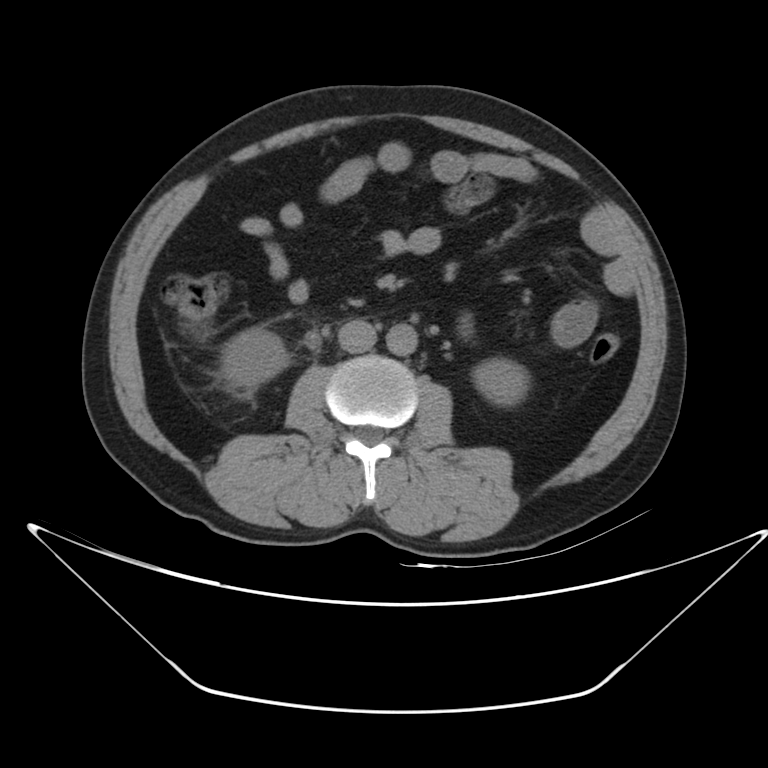 Computed tomography, abdomen. axial view. soft-tissue window (W 400 / L 40). 768x768 px. scan has 15 labeled organs (a whole-scan count: organs this slice does not pass through have no box)
Boxes are (x1, y1, x2, y2) in pixels.
Organ bounding boxes:
- right kidney: (221, 327, 288, 387)
- left kidney: (473, 358, 529, 405)
- aorta: (385, 323, 418, 355)
- inferior vena cava: (338, 319, 376, 352)